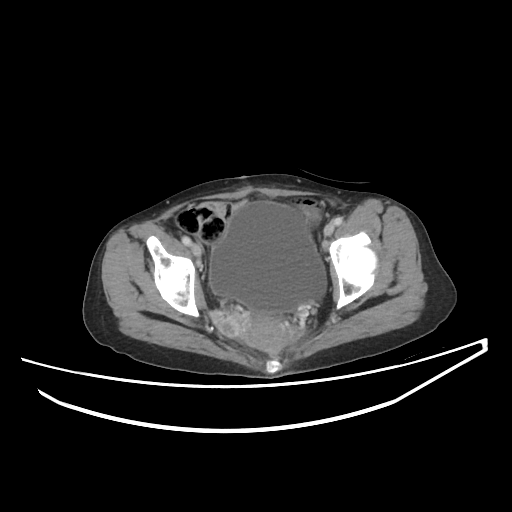
CT abdomen. Axial slice 18/116. 512x512 px
Box edges are left/top/right/bottom in pixels.
Organ bounding boxes:
- bladder: left=209, top=201, right=326, bottom=313
- prostate/uterus: left=239, top=315, right=289, bottom=351